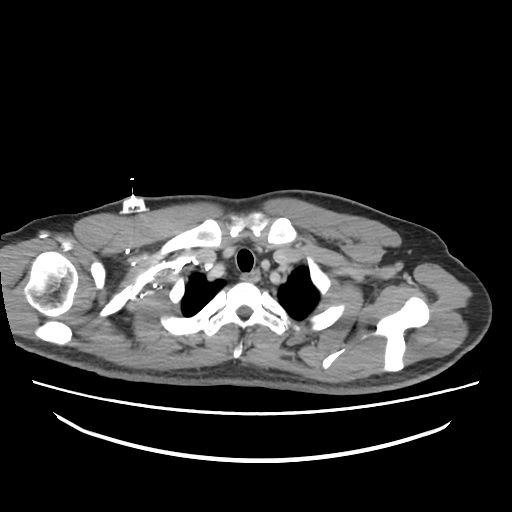 CT of the abdomen extending into the chest, slice through the chest — axial view — 512x512 px — 31-year-old male patient
At this level of the chest no structure but the esophagus and the aorta has a label in this dataset, and those two are boxed only where they are labeled. Boxes: x1 y1 x2 y2 (pixel coords, space-separated). Labeled organs on this slice: esophagus at 241 269 260 282.